CT of the abdomen reaching into the lower chest, slice just above the liver and spleen — axial view — soft-tissue window (W 400 / L 40) — 62-year-old male patient
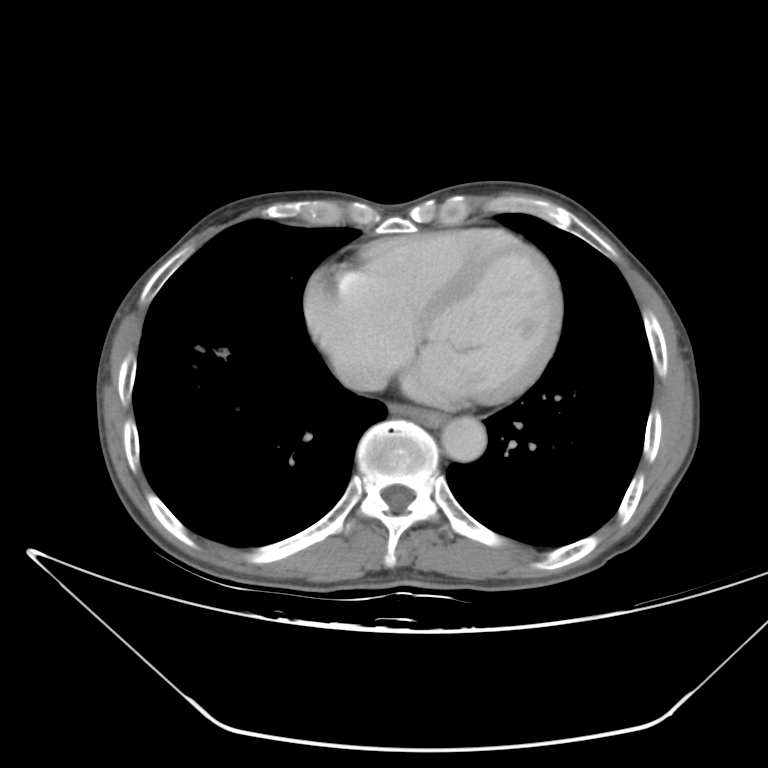

The heart and lungs are never labeled in this dataset, so they have no box on this slice.
<organs><organ name="esophagus" x1="386" y1="403" x2="448" y2="427"/><organ name="aorta" x1="438" y1="417" x2="487" y2="463"/><organ name="inferior vena cava" x1="329" y1="354" x2="395" y2="394"/></organs>